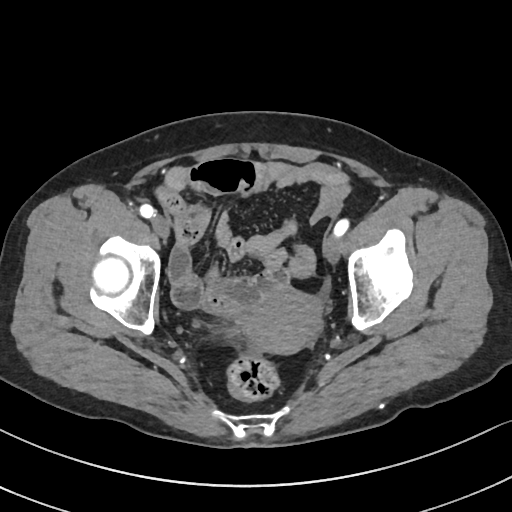

Abdominal CT · axial view · soft-tissue window (W 400 / L 40)
{"organs":{"prostate/uterus":[244,285,323,352]}}